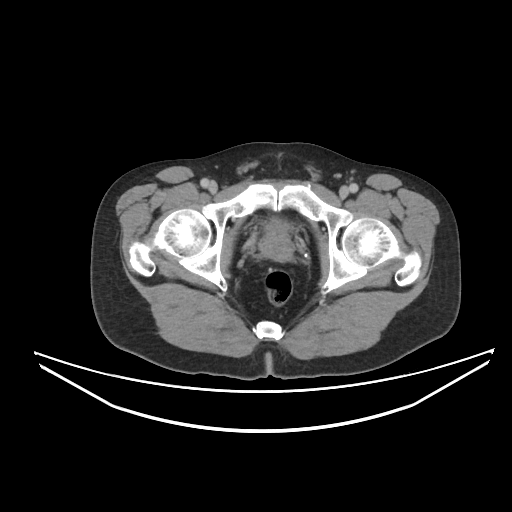 Computed tomography, abdomen · axial plane, index 11 · 15 organs annotated in this scan (a whole-scan count: organs this slice does not pass through have no box)
Coordinates as <box>x1,y1,x2,y2</box> in pixels.
Organ bounding boxes:
- bladder: <box>265,218,288,230</box>
- prostate/uterus: <box>260,229,291,257</box>